CT, abdomen/pelvis · axial plane, index 29 · 512x512 px · 46-year-old male patient · 15 organs annotated in this scan (that count is for the whole scan; organs this slice misses have no box)
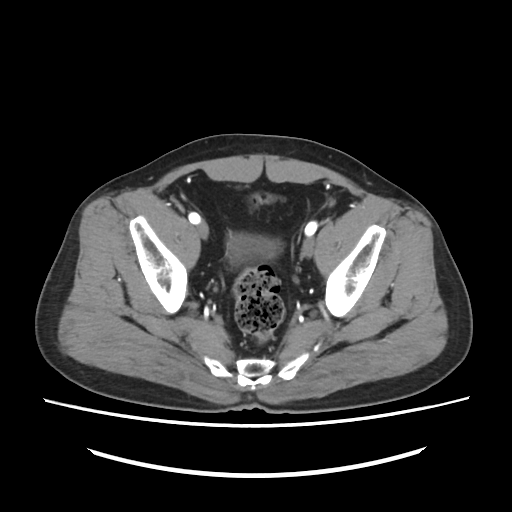 Coordinates as <box>x1,y1,x2,y2</box> in pixels.
bladder: <box>227,234,277,259</box>